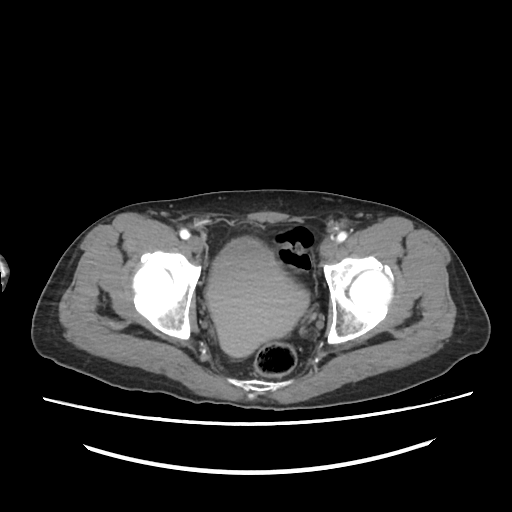
CT abdomen — axial view — soft-tissue window (W 400 / L 40) — 512x512 px — 61-year-old male patient
Organ boxes in pixel coordinates; each row gives the top-left (x1, y1) and bottom-right (x2, y2) corners.
| organ | x1 | y1 | x2 | y2 |
|---|---|---|---|---|
| bladder | 206 | 237 | 308 | 358 |